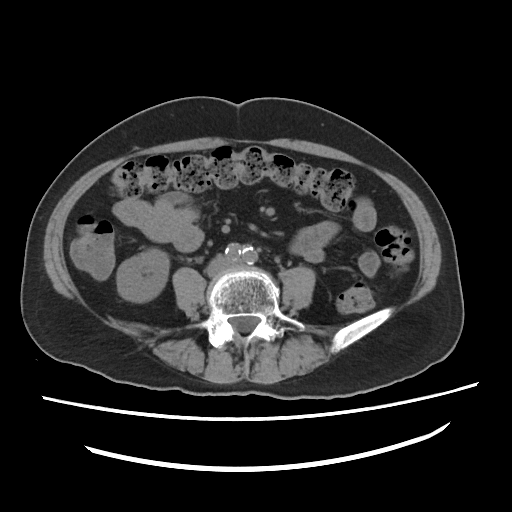

Abdominal CT — axial plane, index 42 — soft-tissue window (W 400 / L 40) — Aquilion ONE scanner
<organs><organ name="right kidney" x1="116" y1="248" x2="169" y2="302"/></organs>